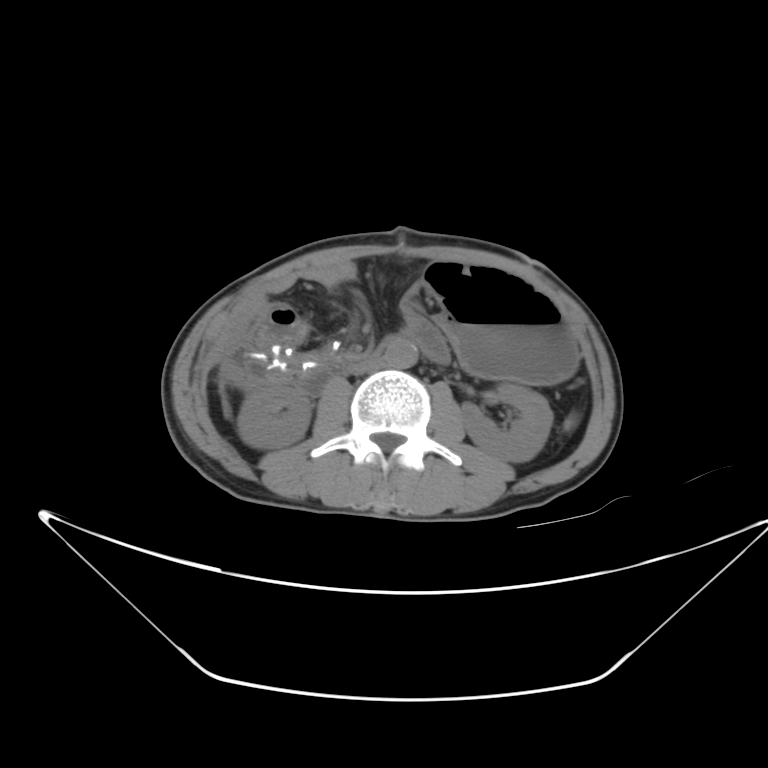

CT, abdomen/pelvis · axial view · soft-tissue window (W 400 / L 40) · acquired on Brilliance16
<organs><organ name="spleen" x1="563" y1="411" x2="582" y2="431"/><organ name="inferior vena cava" x1="343" y1="355" x2="384" y2="373"/><organ name="stomach" x1="419" y1="261" x2="576" y2="386"/><organ name="aorta" x1="386" y1="340" x2="417" y2="368"/><organ name="right kidney" x1="238" y1="388" x2="310" y2="450"/><organ name="left kidney" x1="461" y1="381" x2="551" y2="463"/><organ name="duodenum" x1="298" y1="355" x2="352" y2="396"/></organs>